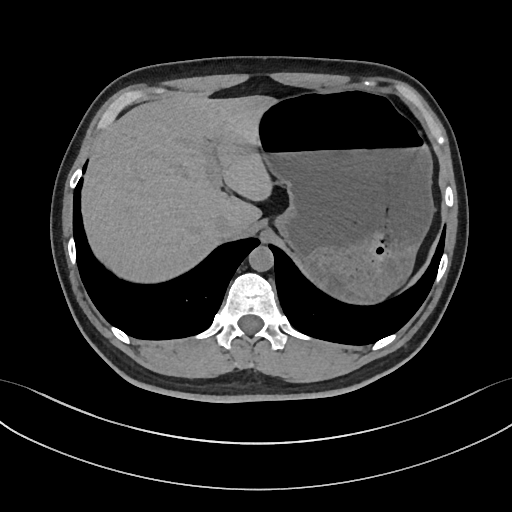
Computed tomography, abdomen. axial view. soft-tissue window. acquired on SOMATOM Force
Bounding boxes as [x1, y1, x2, y2] in pixel coordinates.
Organ bounding boxes:
- liver: [81, 95, 276, 283]
- stomach: [258, 89, 433, 302]
- aorta: [248, 246, 273, 271]
- inferior vena cava: [213, 214, 230, 237]